Abdominal CT. axial plane, index 103
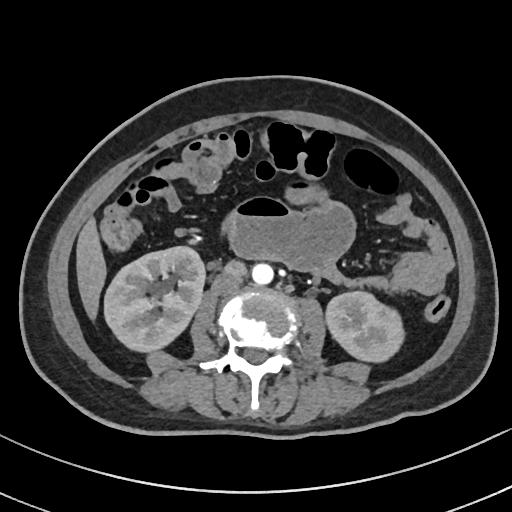
{"organs":{"right kidney":[104,247,204,353],"left kidney":[324,289,404,362],"liver":[75,216,107,324],"aorta":[252,263,273,285],"inferior vena cava":[211,273,242,294]}}